CT, abdomen/pelvis — axial view — W/L 400/40 HU — acquired on Brilliance16
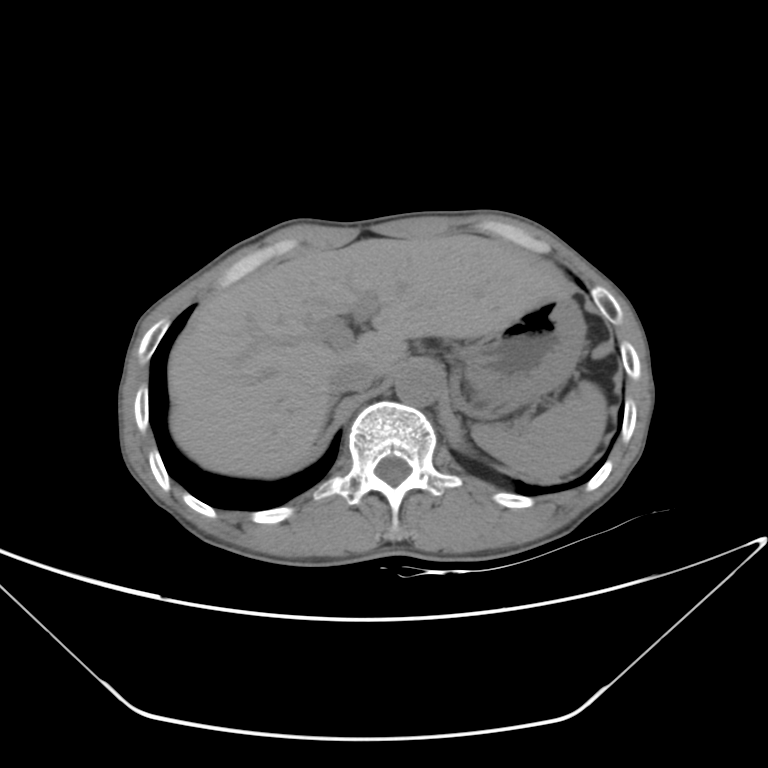

Coordinates as <box>x1,y1,x2,y2</box> in pixels. 6 labeled organs on this slice — right adrenal gland at <box>328,396,338,416</box>; spleen at <box>471,380,607,481</box>; liver at <box>168,234,572,478</box>; inferior vena cava at <box>328,362,375,395</box>; aorta at <box>394,363,442,405</box>; stomach at <box>460,297,585,415</box>.